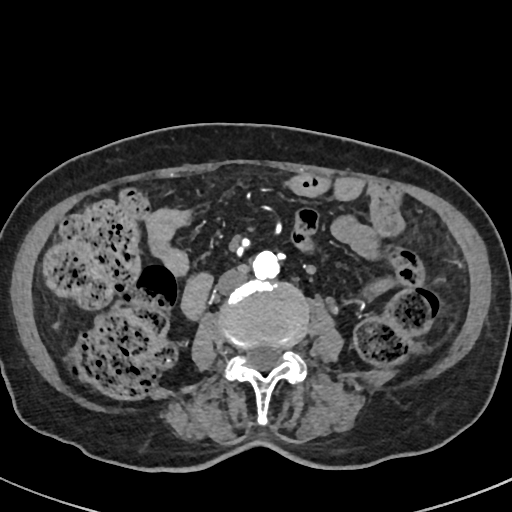
Computed tomography, abdomen · Axial slice 109/279 · soft-tissue window · 512x512 px
Each box given as x1,y1,x2,y2.
aorta: x1=252, y1=250, x2=279, y2=279
inferior vena cava: x1=216, y1=266, x2=247, y2=294